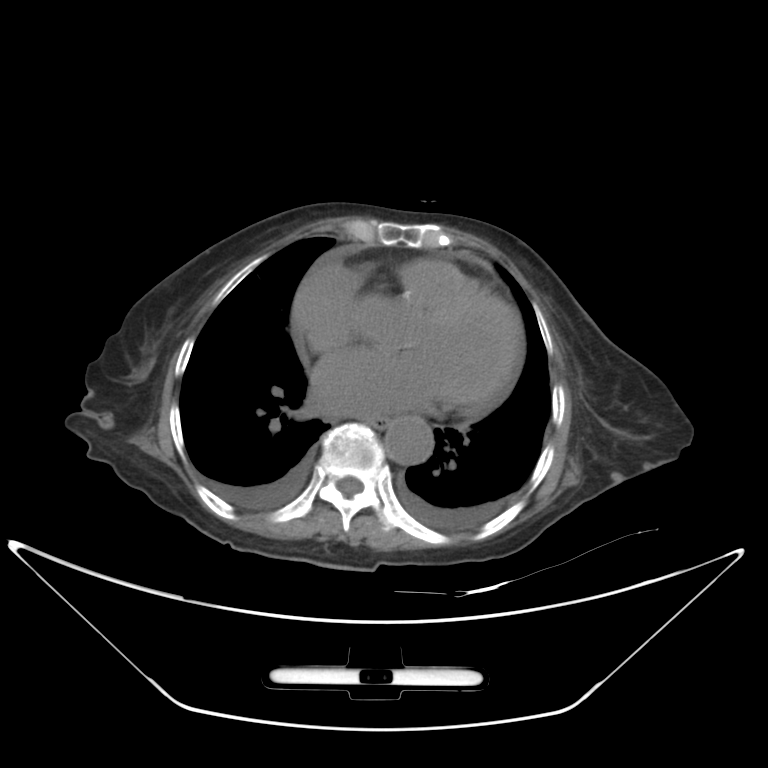 CT of the abdomen reaching into the lower chest, slice just above the liver and spleen — axial view — soft-tissue window, W/L 400/40 — acquired on Brilliance16 — 15 organs annotated in this scan (that count is for the whole scan; organs this slice misses have no box)
No part of the heart or lungs is labeled in this dataset, so neither has a box here. Bounding boxes as [x1, y1, x2, y2] in pixel coordinates. 2 labeled organs on this slice — esophagus at [366, 417, 387, 426]; aorta at [384, 416, 434, 464].